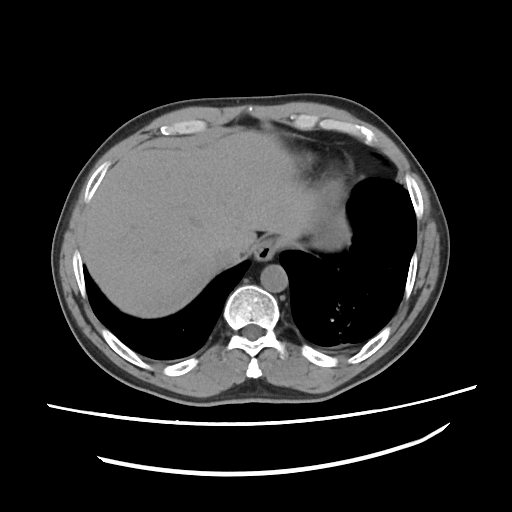 Abdominal CT; axial view
{"organs":{"stomach":[308,210,348,251],"inferior vena cava":[213,248,233,267],"aorta":[260,265,288,293],"esophagus":[255,240,275,260],"liver":[84,131,319,318]}}